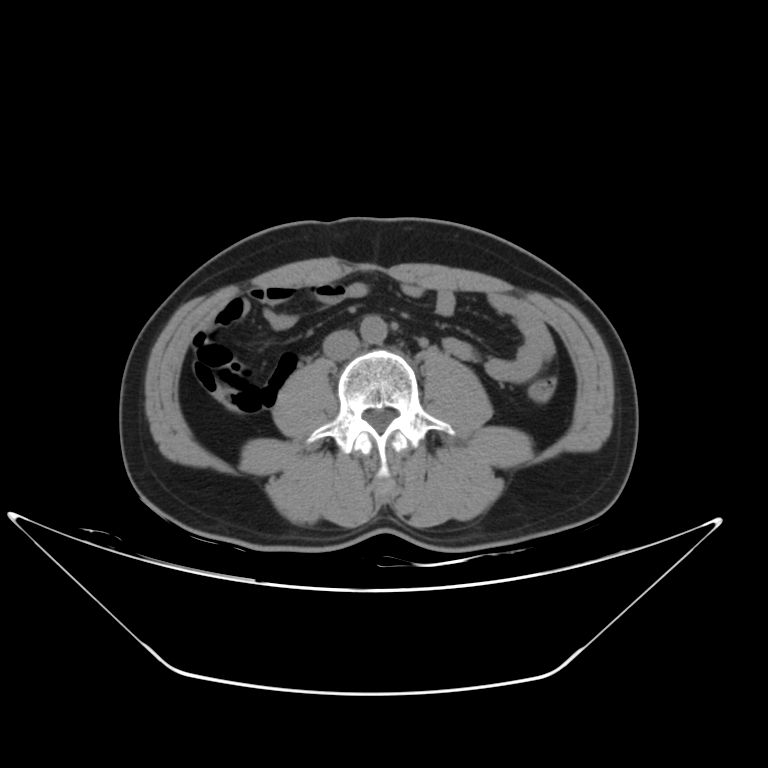

Abdominal CT. axial plane, index 58. soft-tissue window. 53-year-old male patient. Brilliance16 scanner. scan has 15 labeled organs (that count is for the whole scan; organs this slice misses have no box)
{"organs":{"aorta":[361,316,387,344],"inferior vena cava":[323,329,358,359]}}